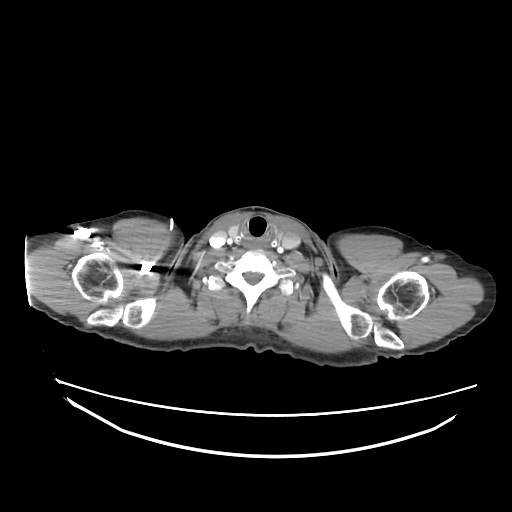

Chest-level slice from an abdominal CT that extends up into the chest · axial view · soft-tissue window (W 400 / L 40) · Aquilion ONE scanner
At this level of the chest no structure but the esophagus and the aorta has a label in this dataset, and those two are boxed only where they are labeled.
{"organs":{"esophagus":[249,239,264,248]}}